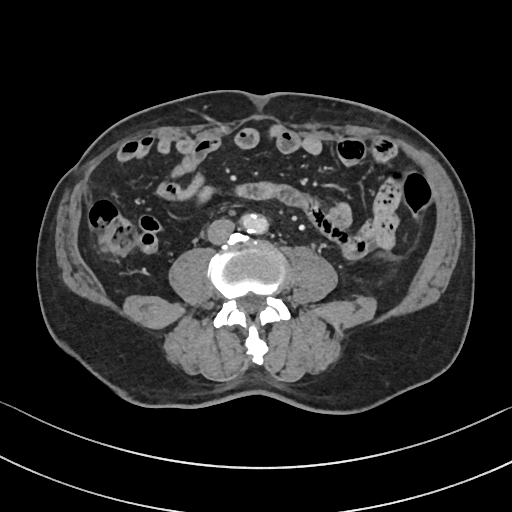
Computed tomography, abdomen — axial view — SOMATOM Force scanner
{"organs":{"aorta":[241,213,268,233],"inferior vena cava":[207,218,234,244]}}